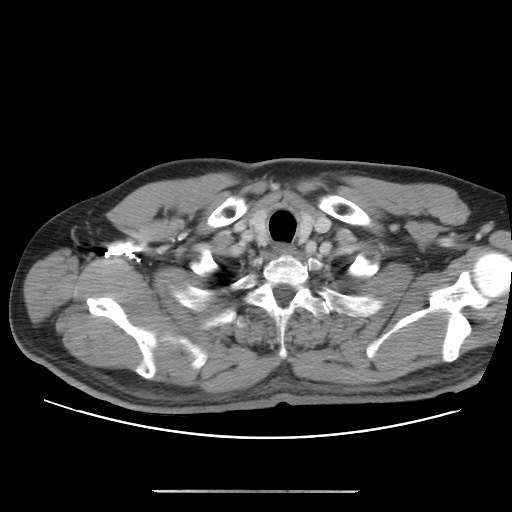 CT of the abdomen extending into the chest, slice through the chest — Axial slice 129/131 — soft-tissue window (W 400 / L 40) — scan has 15 labeled organs (that count is for the whole scan; organs this slice misses have no box)
On a slice this high in the chest, this dataset labels only the esophagus and the aorta, and each is boxed only where it is labeled; the heart, lungs and other chest structures are not labeled.
Coordinates as <box>x1,y1,x2,y2</box> in pixels.
esophagus: <box>274,245,293,255</box>